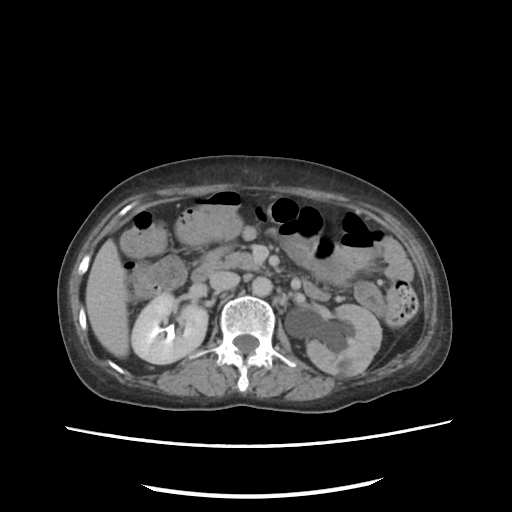
Abdominal CT; axial view; Aquilion ONE scanner; scan has 14 labeled organs (that count is for the whole scan; organs this slice misses have no box)
One row per box, in pixels: columns x1 and y1 give the top-left corner, x2 and y2 the bottom-right.
| organ | x1 | y1 | x2 | y2 |
|---|---|---|---|---|
| inferior vena cava | 209 | 271 | 239 | 291 |
| right kidney | 131 | 293 | 207 | 364 |
| aorta | 251 | 276 | 272 | 296 |
| liver | 85 | 239 | 128 | 357 |
| pancreas | 222 | 252 | 259 | 269 |
| left kidney | 306 | 304 | 381 | 376 |
| duodenum | 191 | 261 | 223 | 281 |